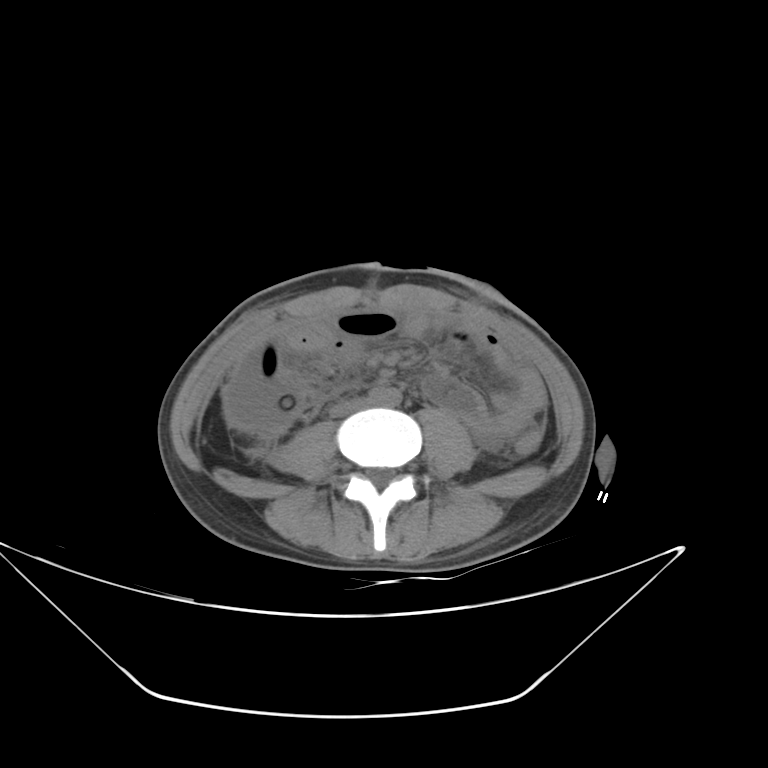
Abdominal CT; axial view; W/L 400/40 HU; 24-year-old male patient; 15 organs annotated in this scan (that count is for the whole scan; organs this slice misses have no box)
One row per box, in pixels: columns x1 and y1 give the top-left corner, x2 and y2 the bottom-right.
| organ | x1 | y1 | x2 | y2 |
|---|---|---|---|---|
| aorta | 369 | 387 | 401 | 406 |
| inferior vena cava | 329 | 398 | 367 | 417 |